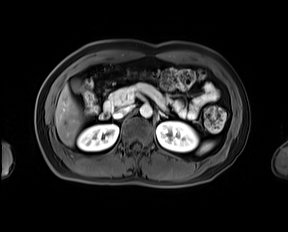 Abdominal MRI — axial view — scan has 13 labeled organs (that count is for the whole scan; organs this slice misses have no box)
<organs><organ name="spleen" x1="199" y1="142" x2="212" y2="153"/><organ name="right kidney" x1="77" y1="124" x2="118" y2="151"/><organ name="left kidney" x1="156" y1="121" x2="198" y2="151"/><organ name="gall bladder" x1="70" y1="79" x2="81" y2="92"/><organ name="liver" x1="55" y1="85" x2="82" y2="146"/><organ name="aorta" x1="140" y1="104" x2="152" y2="117"/><organ name="inferior vena cava" x1="113" y1="106" x2="131" y2="118"/><organ name="pancreas" x1="103" y1="83" x2="166" y2="111"/><organ name="left adrenal gland" x1="158" y1="110" x2="167" y2="118"/><organ name="duodenum" x1="100" y1="111" x2="109" y2="119"/></organs>